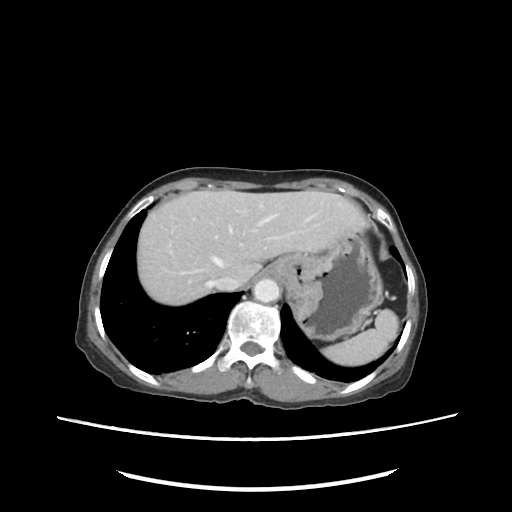
Abdominal CT — Axial slice 77/124 — soft-tissue window (W 400 / L 40) — 73-year-old female patient — Aquilion ONE scanner — scan has 15 labeled organs (that count is for the whole scan; organs this slice misses have no box)
Boxes: x1:y1:x2:y2 in pixels.
spleen: 320:309:399:366
inferior vena cava: 212:275:242:291
liver: 138:188:371:306
stomach: 259:232:382:339
aorta: 253:278:279:302